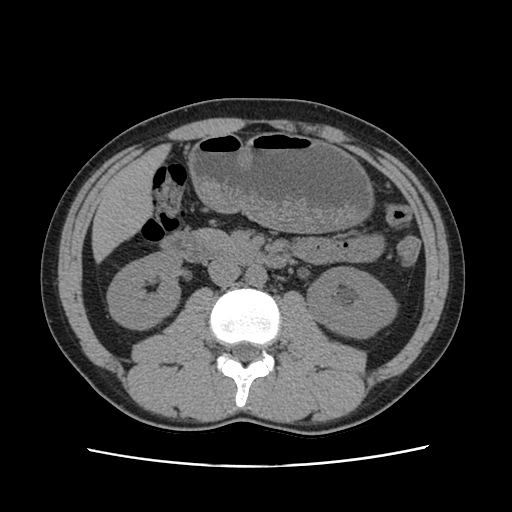

CT abdomen. Axial slice 110/167
<organs><organ name="right kidney" x1="107" y1="252" x2="180" y2="330"/><organ name="left kidney" x1="305" y1="267" x2="396" y2="337"/><organ name="liver" x1="90" y1="145" x2="170" y2="262"/><organ name="stomach" x1="188" y1="131" x2="372" y2="233"/><organ name="aorta" x1="245" y1="266" x2="267" y2="287"/><organ name="inferior vena cava" x1="208" y1="259" x2="240" y2="286"/><organ name="pancreas" x1="193" y1="228" x2="237" y2="249"/><organ name="duodenum" x1="158" y1="232" x2="290" y2="268"/></organs>